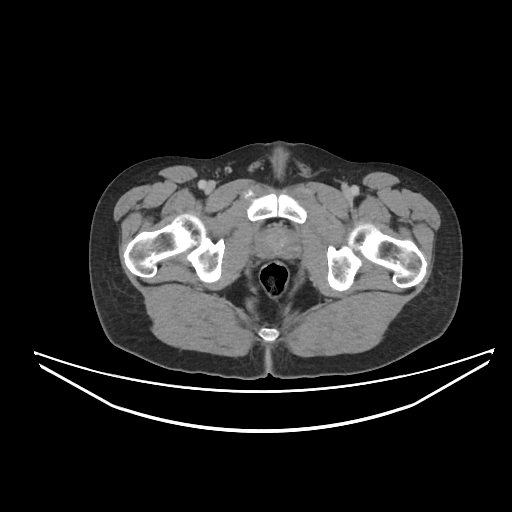 CT, abdomen/pelvis — axial view — abdomen soft-tissue window — 15 organs annotated in this scan (that count is for the whole scan; organs this slice misses have no box)
Boxes: x1:y1:x2:y2 in pixels.
Organ bounding boxes:
- prostate/uterus: 256:229:296:258